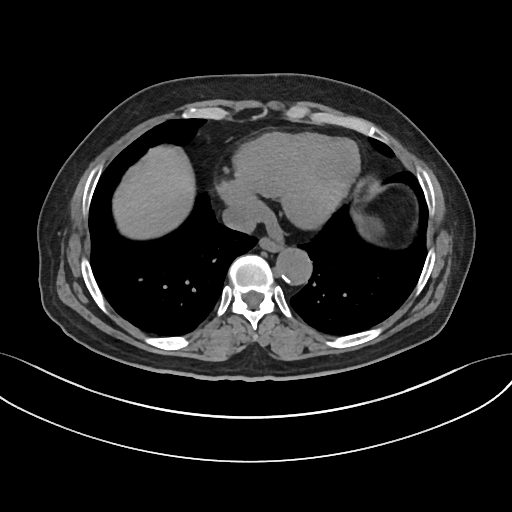
Computed tomography, abdomen · axial view
Boxes: x1 y1 x2 y2 (pixel coords, space-separated).
Organ bounding boxes:
- esophagus: 259 237 282 250
- liver: 113 145 194 237
- stomach: 352 211 386 238
- aorta: 275 246 311 283
- inferior vena cava: 221 205 259 232